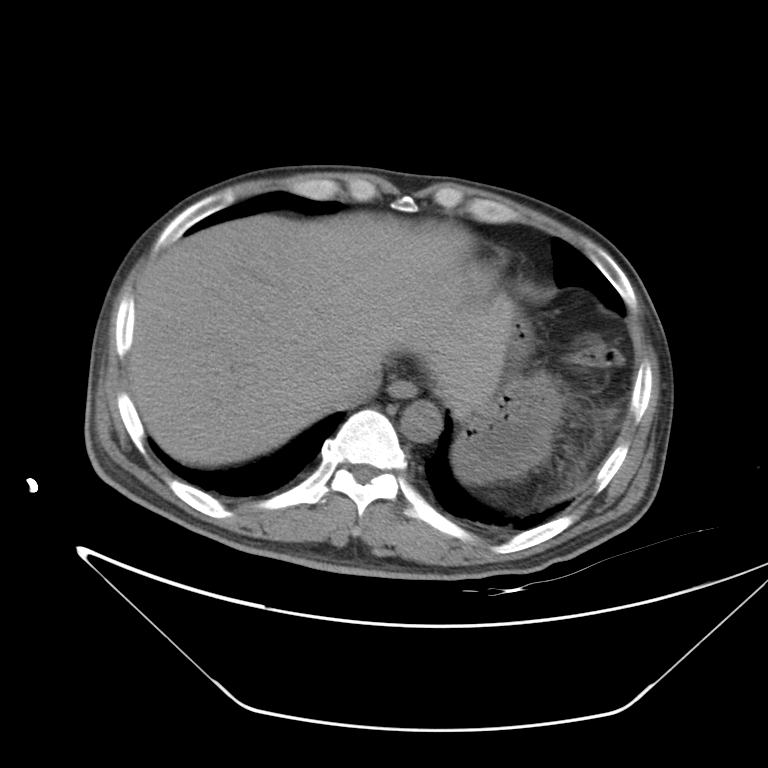

Computed tomography, abdomen — axial view — abdomen soft-tissue window — Brilliance16 scanner — scan has 15 labeled organs (that count is for the whole scan; organs this slice misses have no box)
Boxes: x1:y1:x2:y2 in pixels.
esophagus: 389:379:416:397
liver: 127:213:515:465
stomach: 452:316:562:484
aorta: 401:402:441:441
inferior vena cava: 327:369:381:408